Abdominal CT — Axial slice 64/78 — soft-tissue window — 512x512 px — scan has 15 labeled organs (that count is for the whole scan; organs this slice misses have no box)
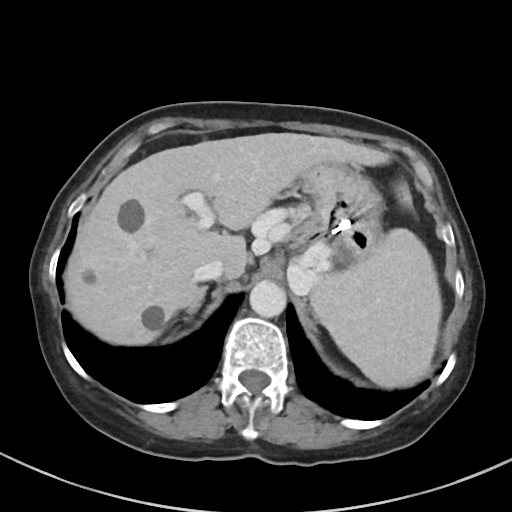

<organs><organ name="inferior vena cava" x1="194" y1="259" x2="223" y2="281"/><organ name="liver" x1="64" y1="132" x2="413" y2="345"/><organ name="right adrenal gland" x1="179" y1="285" x2="206" y2="313"/><organ name="spleen" x1="310" y1="229" x2="441" y2="387"/><organ name="stomach" x1="286" y1="164" x2="383" y2="267"/><organ name="aorta" x1="249" y1="280" x2="286" y2="317"/></organs>